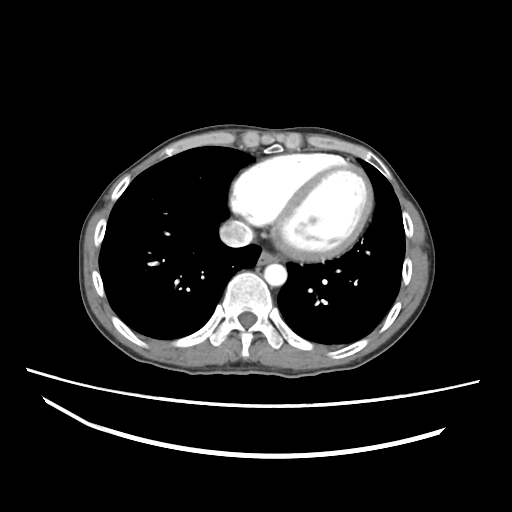 CT of the abdomen reaching into the lower chest, slice just above the liver and spleen. axial view. 512x512 px. 40-year-old male patient. acquired on Aquilion ONE
The heart and lungs are never labeled in this dataset, so they have no box on this slice.
Coordinates as <box>x1,y1,x2,y2</box> in pixels.
Organ bounding boxes:
- esophagus: <box>257,249,279,264</box>
- aorta: <box>264,263,287,285</box>
- inferior vena cava: <box>219,220,253,247</box>